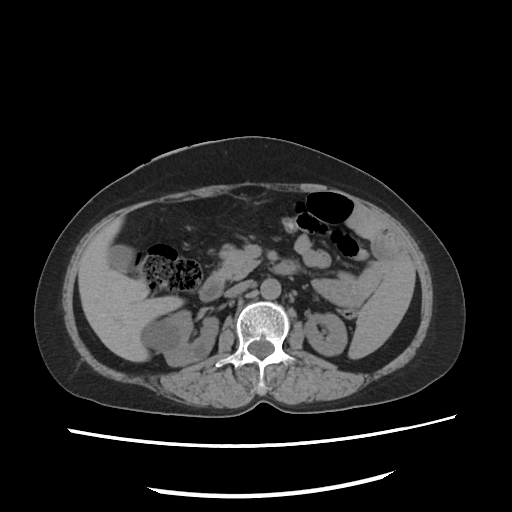 Abdominal CT — axial view — W/L 400/40 HU — 15 organs annotated in this scan (a whole-scan count: organs this slice does not pass through have no box)
{"organs":{"spleen":[349,260,417,358],"right kidney":[141,309,217,364],"left kidney":[306,312,345,356],"gall bladder":[107,245,132,272],"liver":[78,215,181,362],"aorta":[260,278,281,299],"inferior vena cava":[224,280,249,296],"pancreas":[218,244,259,281],"duodenum":[200,259,294,301]}}